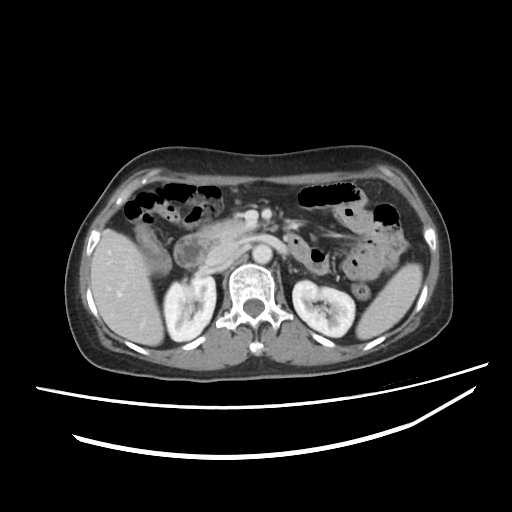
Computed tomography, abdomen — axial view — 54-year-old female patient
Box edges are left/top/right/bottom in pixels.
spleen: left=356, top=263, right=422, bottom=339
right kidney: left=163, top=275, right=216, bottom=341
inferior vena cava: left=207, top=240, right=239, bottom=264
pancreas: left=199, top=219, right=254, bottom=243
duodenum: left=174, top=234, right=312, bottom=267
aorta: left=252, top=244, right=272, bottom=263
liver: left=90, top=229, right=163, bottom=345
left kidney: left=292, top=280, right=355, bottom=337